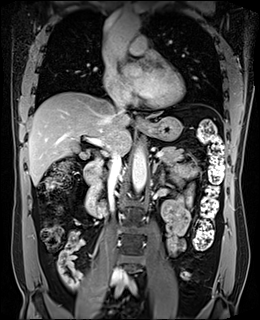
Abdominal MRI · coronal plane, index 73 · 260x320 px · scan has 13 labeled organs (a whole-scan count: organs this slice does not pass through have no box)
Bounding boxes as [x1, y1, x2, y2] in pixel coordinates. 9 labeled organs on this slice — inferior vena cava at [108, 148, 121, 212]; inferior vena cava at [115, 99, 125, 113]; inferior vena cava at [112, 268, 121, 275]; duodenum at [84, 158, 106, 218]; left adrenal gland at [153, 160, 165, 181]; gall bladder at [77, 149, 88, 159]; liver at [28, 91, 160, 185]; esophagus at [136, 119, 144, 125]; pancreas at [160, 146, 187, 162]; aorta at [107, 14, 141, 61]; aorta at [132, 146, 146, 192]; aorta at [123, 72, 141, 75]; stomach at [138, 116, 182, 141].